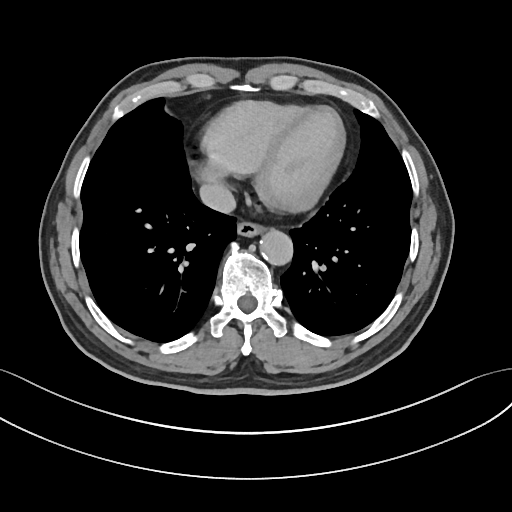

Lower-chest slice from an abdominal CT, just above the liver and spleen · axial view · soft-tissue window, W/L 400/40 · scan has 15 labeled organs (a whole-scan count: organs this slice does not pass through have no box)
Of the structures in the chest, this dataset labels only the esophagus, the aorta and the inferior vena cava; the heart and lungs have no label. Coordinates as <box>x1,y1,x2,y2</box> in pixels. 3 labeled organs on this slice — esophagus at <box>237,224,265,235</box>; aorta at <box>258,228,292,263</box>; inferior vena cava at <box>199,182,235,212</box>.